CT, abdomen/pelvis · axial view
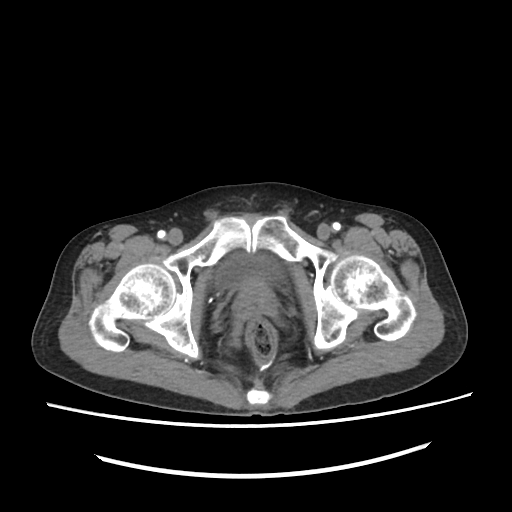

Boxes are (x1, y1, x2, y2) in pixels.
Organ bounding boxes:
- bladder: (214, 251, 284, 291)
- prostate/uterus: (234, 284, 276, 316)